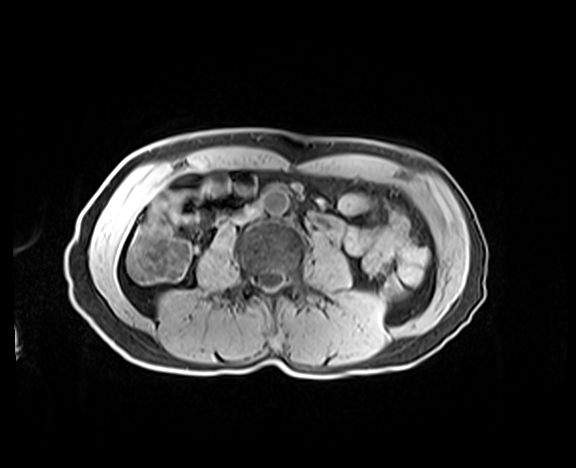
Abdominal MR — axial view — percentile-normalized — acquired on Prisma — 13 organs annotated in this scan (counted over the whole 3D scan, not this slice; an organ is boxed only where this slice passes through it)
One row per box, in pixels: columns x1 and y1 give the top-left corner, x2 and y2 the bottom-right.
| organ | x1 | y1 | x2 | y2 |
|---|---|---|---|---|
| inferior vena cava | 236 | 208 | 259 | 223 |
| aorta | 263 | 188 | 288 | 215 |